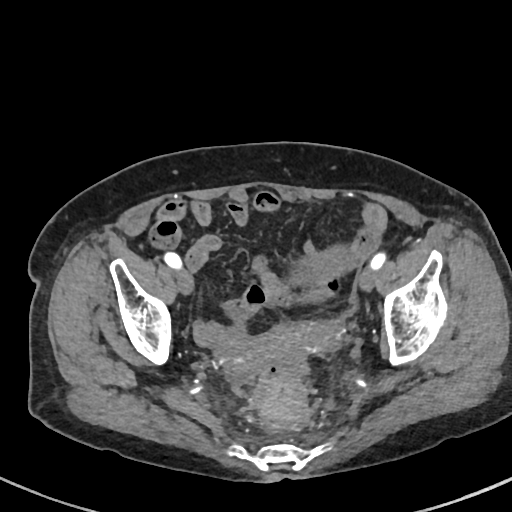
CT abdomen. axial view. soft-tissue window
<organs><organ name="prostate/uterus" x1="270" y1="321" x2="340" y2="353"/></organs>